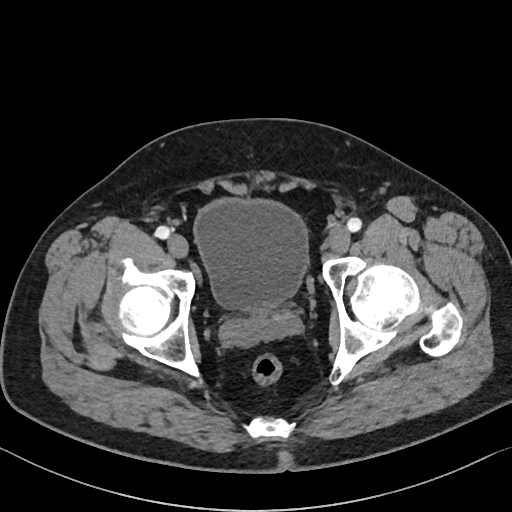
CT abdomen — axial view — 512x512 px — acquired on SOMATOM Force — 15 organs annotated in this scan (counted over the whole 3D scan, not this slice; an organ is boxed only where this slice passes through it)
Box edges are left/top/right/bottom in pixels.
bladder: left=195, top=201, right=307, bottom=310